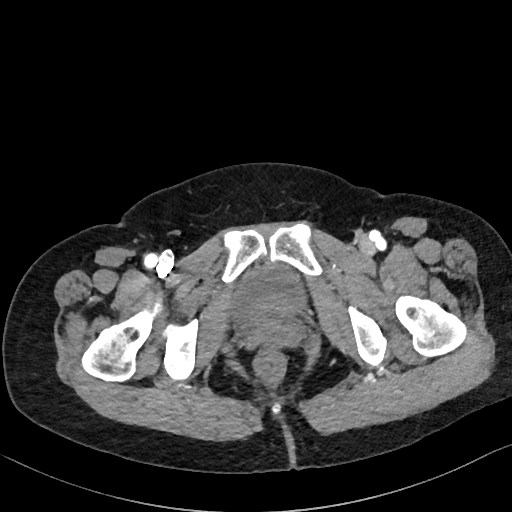 CT abdomen; axial view
Box edges are left/top/right/bottom in pixels.
Organ bounding boxes:
- bladder: left=227, top=265, right=306, bottom=326